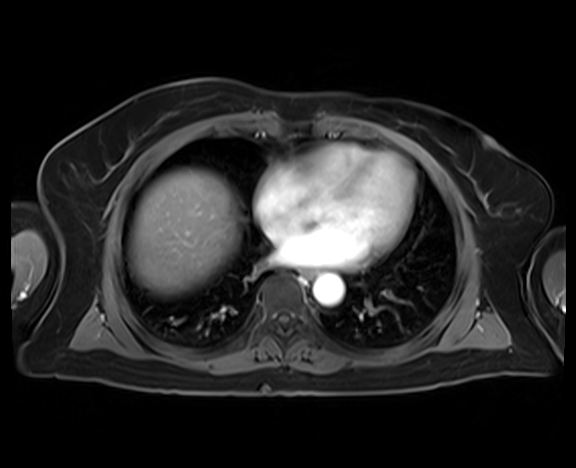

Abdominal MR · axial plane, index 67 · percentile-normalized · 576x468 px · 13 organs annotated in this scan (a whole-scan count: organs this slice does not pass through have no box)
Bounding boxes as [x1, y1, x2, y2] in pixel coordinates. The annotated organs in this slice are: esophagus at [301, 269, 316, 280], liver at [129, 169, 239, 295], aorta at [313, 274, 344, 305].